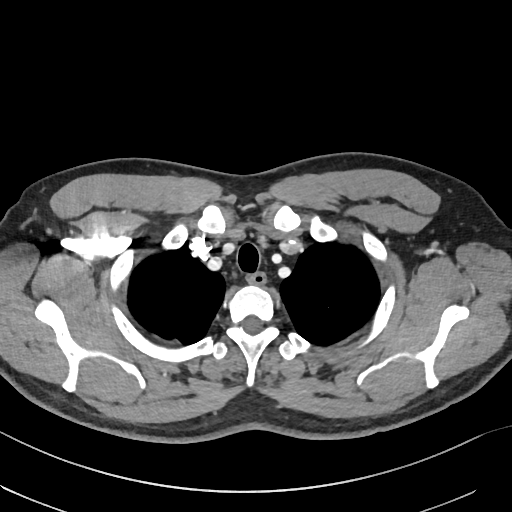
Chest-level CT slice, above the liver and spleen — axial view — 512x512 px
At this level of the chest this dataset labels only the esophagus and the aorta, and each is boxed only where it is labeled; the heart and lungs are never labeled.
<organs><organ name="esophagus" x1="246" y1="273" x2="266" y2="285"/></organs>